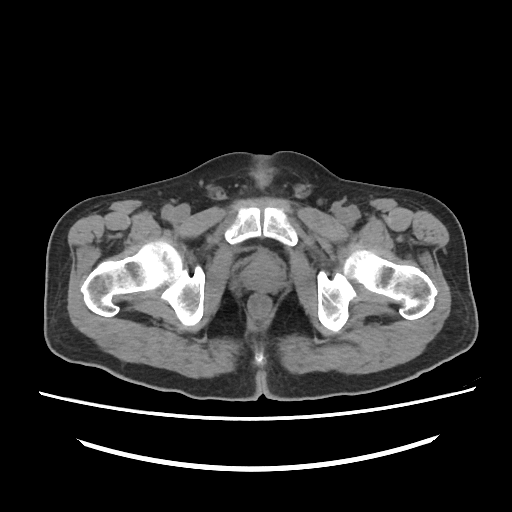

CT, abdomen/pelvis · Axial slice 10/87 · 49-year-old male patient
Bounding boxes in pixels, one row per box: x1, y1 is the top-left corner and x2, y2 the bottom-right.
| organ | x1 | y1 | x2 | y2 |
|---|---|---|---|---|
| prostate/uterus | 242 | 255 | 282 | 291 |